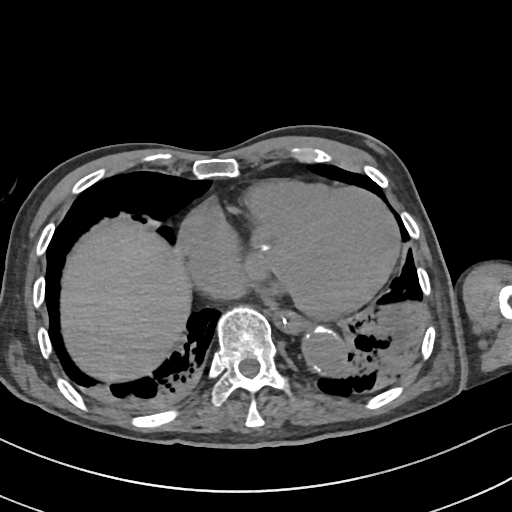

Computed tomography, abdomen · axial view
<organs><organ name="aorta" x1="302" y1="328" x2="344" y2="374"/><organ name="liver" x1="61" y1="224" x2="190" y2="382"/><organ name="esophagus" x1="273" y1="309" x2="307" y2="333"/></organs>